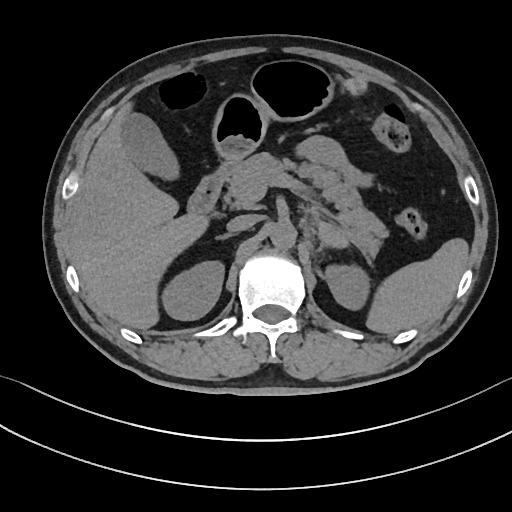
Computed tomography, abdomen. axial view. soft-tissue window (W 400 / L 40). SOMATOM Force scanner. scan has 15 labeled organs (a whole-scan count: organs this slice does not pass through have no box)
Boxes are (x1, y1, x2, y2) in pixels.
spleen: (366, 238, 468, 334)
right kidney: (161, 261, 224, 320)
left kidney: (325, 265, 369, 310)
gall bladder: (122, 113, 179, 180)
liver: (67, 103, 208, 329)
stomach: (211, 60, 334, 163)
aorta: (270, 221, 296, 249)
inferior vena cava: (226, 214, 259, 232)
pancreas: (226, 152, 388, 241)
right adrenal gland: (217, 233, 232, 239)
duodenum: (187, 162, 232, 214)